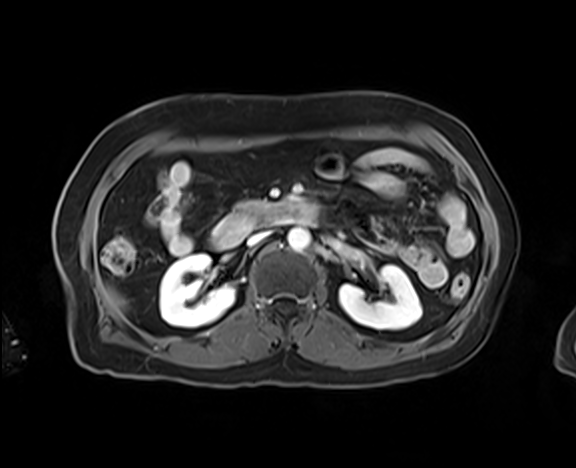
Abdominal MRI · axial view · percentile-normalized · 576x468 px · Prisma scanner
Each box given as x1,y1,x2,y2.
right kidney: x1=160, y1=253, x2=235, y2=327
left kidney: x1=338, y1=265, x2=421, y2=329
liver: x1=110, y1=296, x2=119, y2=307
aorta: x1=288, y1=228, x2=310, y2=252
inferior vena cava: x1=247, y1=231, x2=270, y2=246
pancreas: x1=233, y1=200, x2=271, y2=212
duodenum: x1=209, y1=202, x2=318, y2=249